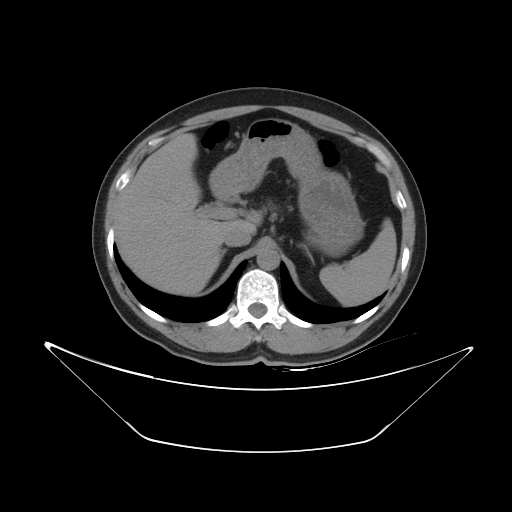
Abdominal CT. axial view. 41-year-old male patient
Boxes are (x1, y1, x2, y2) in pixels.
spleen: (319, 218, 396, 305)
liver: (115, 133, 261, 295)
stomach: (209, 118, 364, 252)
aorta: (256, 248, 279, 270)
inferior vena cava: (223, 227, 251, 246)
right adrenal gland: (221, 249, 226, 257)
left adrenal gland: (299, 244, 314, 263)